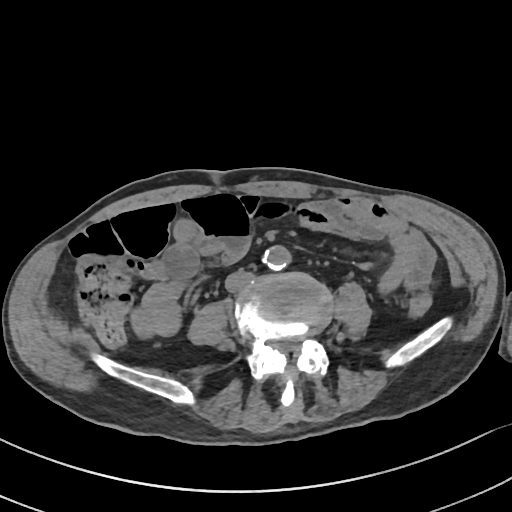 Abdominal CT · axial view · 15 organs annotated in this scan (that count is for the whole scan; organs this slice misses have no box)
Organ boxes in pixel coordinates; each row gives the top-left (x1, y1) and bottom-right (x2, y2) corners.
| organ | x1 | y1 | x2 | y2 |
|---|---|---|---|---|
| inferior vena cava | 225 | 270 | 252 | 293 |
| aorta | 264 | 245 | 292 | 270 |